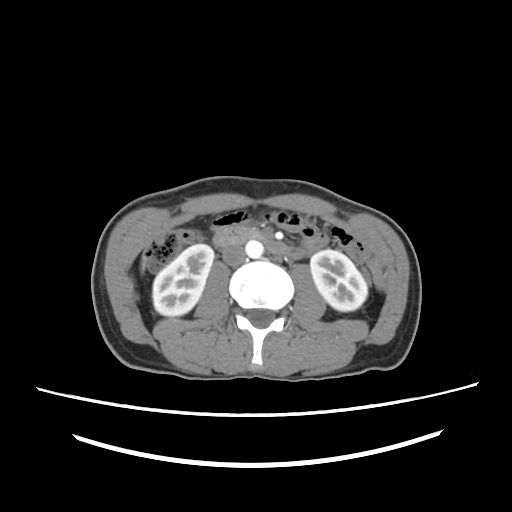

CT abdomen. axial view
{"organs":{"right kidney":[153,244,213,316],"aorta":[245,240,263,258],"inferior vena cava":[220,243,246,266],"liver":[140,254,146,276],"duodenum":[213,228,305,257],"left kidney":[310,250,367,310]}}